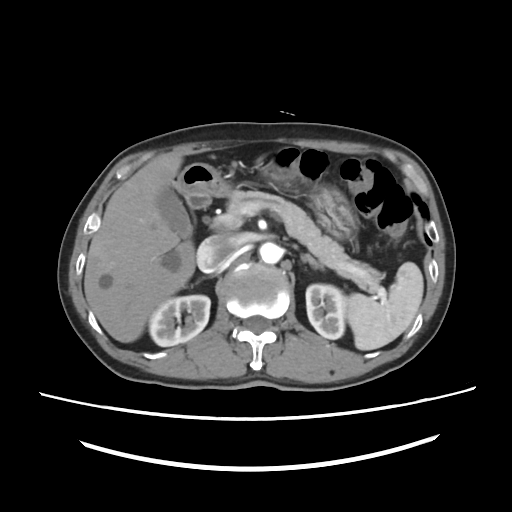 CT, abdomen/pelvis. axial view. soft-tissue window. Aquilion ONE scanner. scan has 15 labeled organs (counted over the whole 3D scan, not this slice; an organ is boxed only where this slice passes through it)
Boxes: x1:y1:x2:y2 in pixels. Labeled organs on this slice: aorta at 259:242:282:264, inferior vena cava at 196:235:236:272, spleen at 346:262:423:350, stomach at 176:163:358:238, liver at 84:157:194:342, right kidney at 149:295:210:346, gall bladder at 156:186:191:238, pancreas at 227:190:383:292, left adrenal gland at 301:253:324:270, left kidney at 306:284:346:339, duodenum at 187:197:210:208.